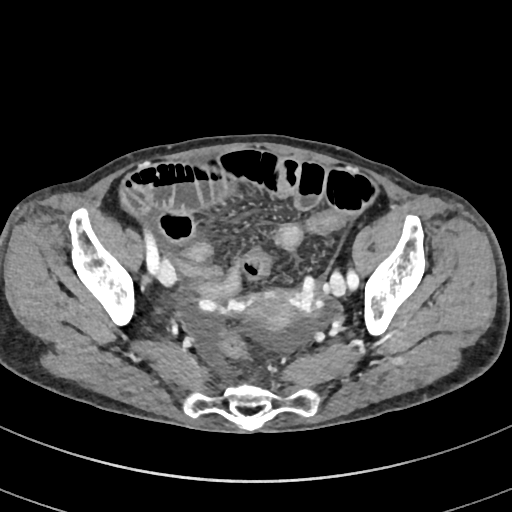 CT, abdomen/pelvis · axial view · 512x512 px · 14 organs annotated in this scan (a whole-scan count: organs this slice does not pass through have no box)
Boxes are (x1, y1, x2, y2) in pixels.
Organ bounding boxes:
- prostate/uterus: (246, 290, 298, 330)